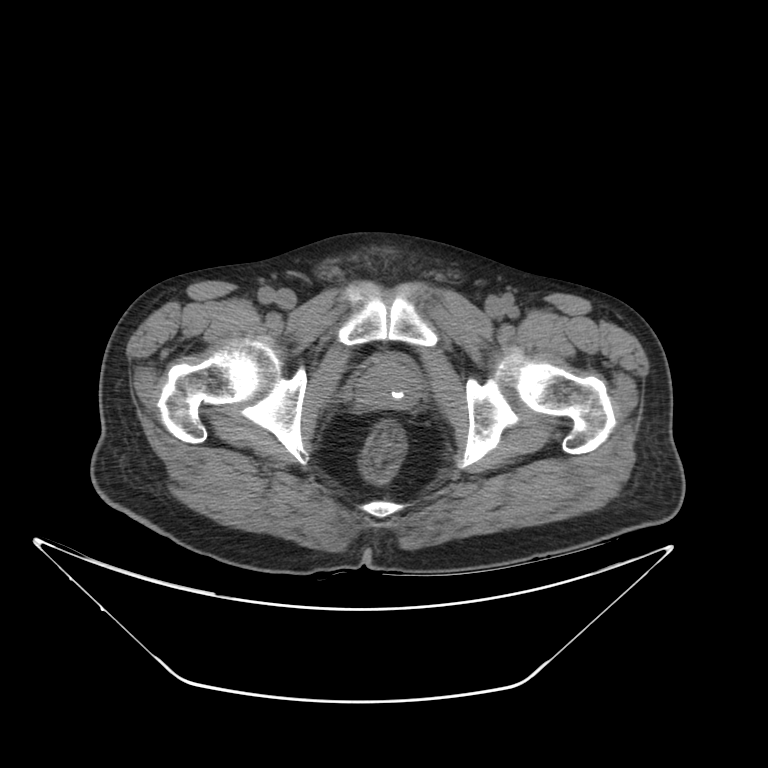

Abdominal CT. axial view. soft-tissue window. 66-year-old male patient
Organ boxes in pixel coordinates; each row gives the top-left (x1, y1) and bottom-right (x2, y2) corners.
| organ | x1 | y1 | x2 | y2 |
|---|---|---|---|---|
| prostate/uterus | 355 | 365 | 420 | 411 |